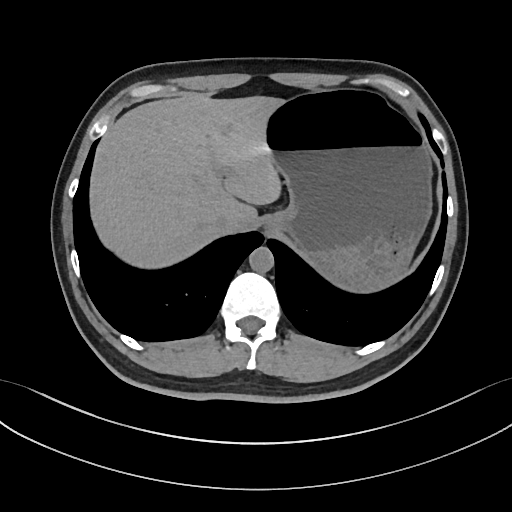
Computed tomography, abdomen; axial view; 15 organs annotated in this scan (that count is for the whole scan; organs this slice misses have no box)
Bounding boxes as [x1, y1, x2, y2] in pixel coordinates.
esophagus: [262, 220, 276, 233]
liver: [91, 95, 286, 268]
stomach: [265, 90, 431, 291]
aorta: [249, 246, 273, 272]
inferior vena cava: [212, 216, 230, 232]